CT, abdomen/pelvis. Axial slice 70/108. soft-tissue window (W 400 / L 40)
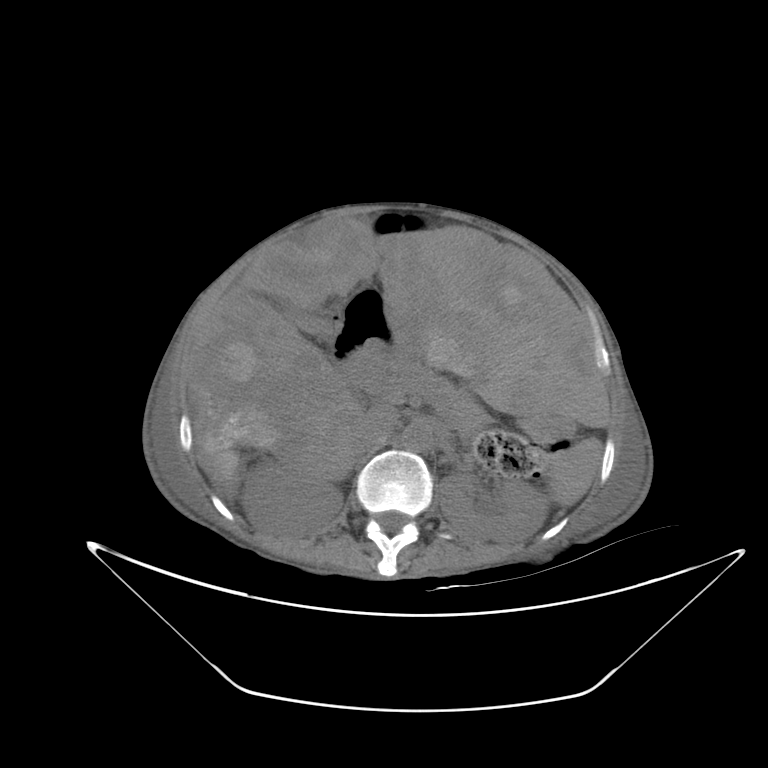 Boxes are (x1, y1, x2, y2) in pixels.
Organ bounding boxes:
- right kidney: (241, 462, 342, 532)
- pancreas: (365, 359, 485, 430)
- left kidney: (439, 473, 547, 542)
- gall bladder: (286, 308, 322, 332)
- liver: (187, 219, 609, 498)
- duodenum: (339, 338, 385, 375)
- stomach: (350, 292, 573, 444)
- spleen: (549, 440, 599, 505)
- aorta: (400, 419, 432, 451)
- inferior vena cava: (359, 404, 398, 442)